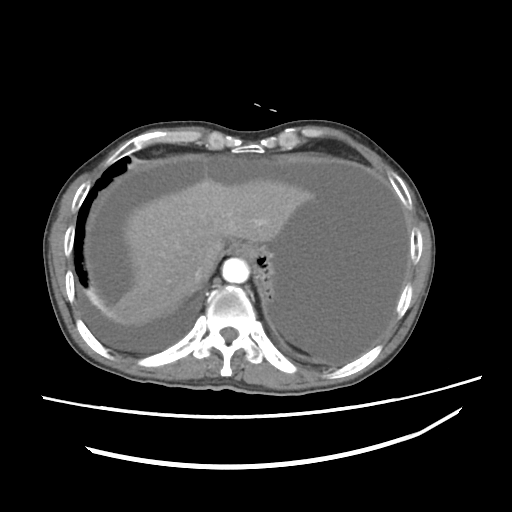
CT abdomen; axial plane, index 89
Boxes are (x1, y1, x2, y2) in pixels.
Organ bounding boxes:
- esophagus: (228, 242, 250, 256)
- liver: (107, 160, 315, 323)
- stomach: (250, 247, 277, 300)
- aorta: (222, 257, 250, 283)
- inferior vena cava: (193, 269, 202, 279)